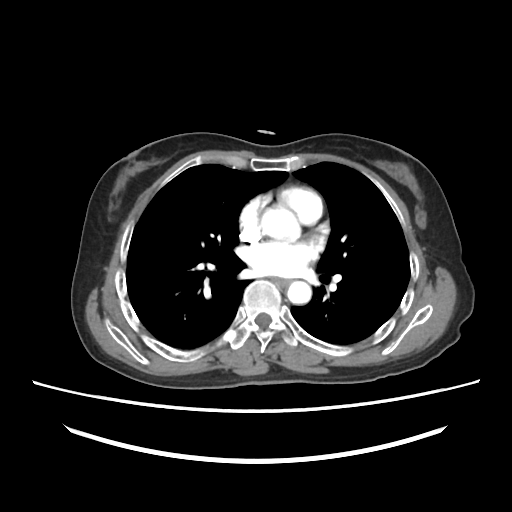
Lower-chest slice from an abdominal CT, just above the liver and spleen. axial view. 512x512 px. Aquilion ONE scanner. scan has 15 labeled organs (that count is for the whole scan; organs this slice misses have no box)
The heart and lungs are never labeled in this dataset, so they have no box on this slice. Coordinates as <box>x1,y1,x2,y2</box> in pixels. The annotated organs in this slice are: esophagus at <box>272,277,290,287</box>, aorta at <box>262,208,298,238</box>, aorta at <box>287,281,311,304</box>.